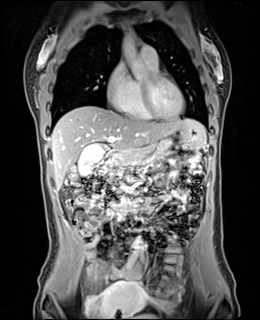
MRI, abdomen; Coronal slice 90/144; 1st–99th percentile window; 260x320 px; acquired on Prisma; scan has 13 labeled organs (a whole-scan count: organs this slice does not pass through have no box)
<organs><organ name="gall bladder" x1="78" y1="145" x2="104" y2="174"/><organ name="liver" x1="51" y1="106" x2="205" y2="189"/><organ name="stomach" x1="152" y1="126" x2="203" y2="149"/><organ name="aorta" x1="121" y1="32" x2="150" y2="78"/><organ name="aorta" x1="134" y1="240" x2="142" y2="250"/><organ name="pancreas" x1="104" y1="147" x2="152" y2="178"/><organ name="duodenum" x1="105" y1="151" x2="118" y2="166"/></organs>